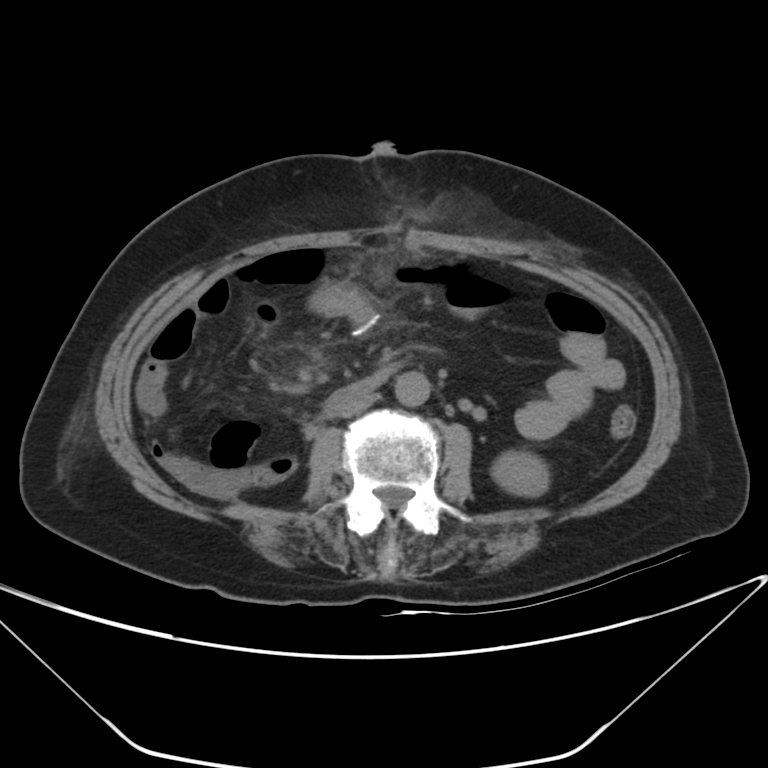 CT, abdomen/pelvis — axial view — 66-year-old female patient — acquired on Brilliance16
<organs><organ name="duodenum" x1="324" y1="362" x2="403" y2="415"/><organ name="left kidney" x1="492" y1="451" x2="549" y2="496"/><organ name="aorta" x1="394" y1="371" x2="430" y2="406"/><organ name="inferior vena cava" x1="336" y1="392" x2="376" y2="417"/></organs>